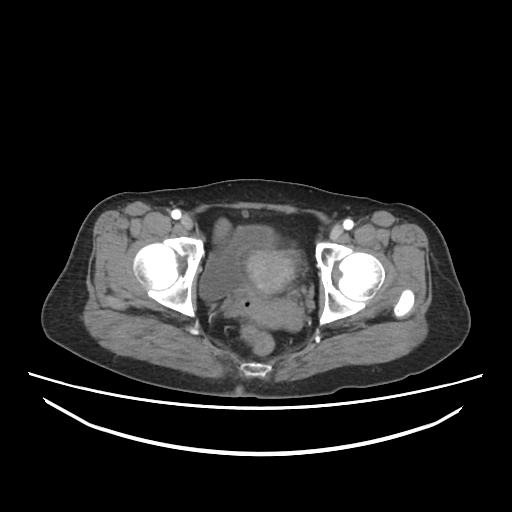
CT abdomen — axial view — 512x512 px — 62-year-old female patient
Boxes: x1:y1:x2:y2 in pixels.
bladder: 198:226:270:300
prostate/uterus: 247:248:296:296